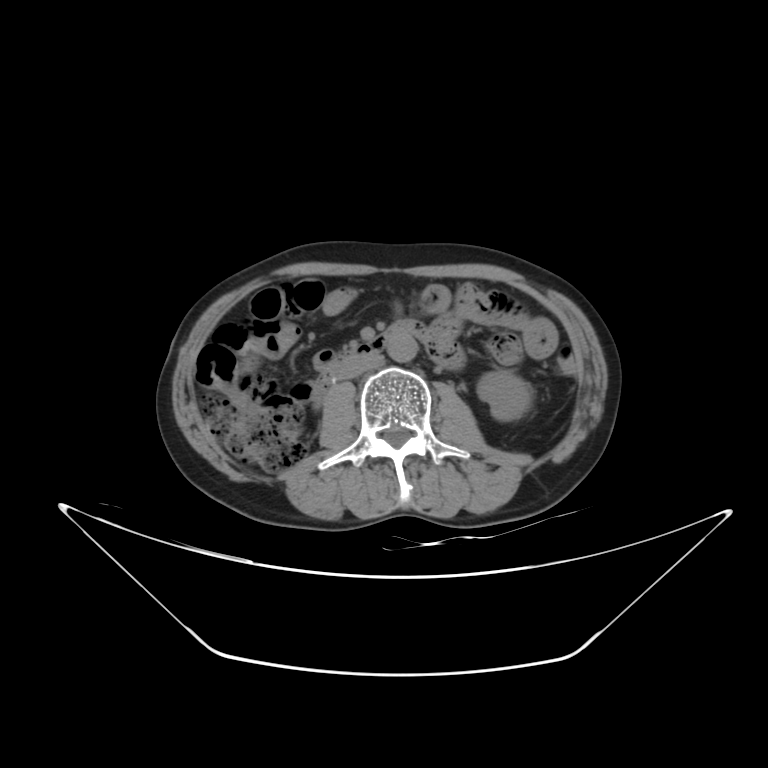
CT, abdomen/pelvis; axial view; acquired on Brilliance16; scan has 14 labeled organs (counted over the whole 3D scan, not this slice; an organ is boxed only where this slice passes through it)
Boxes: x1:y1:x2:y2 in pixels.
Organ bounding boxes:
- left kidney: 477:370:532:420
- aorta: 387:333:417:362
- inferior vena cava: 339:353:383:378
- duodenum: 313:321:421:400